CT, abdomen/pelvis · axial plane, index 19 · 512x512 px · acquired on Aquilion ONE · scan has 15 labeled organs (a whole-scan count: organs this slice does not pass through have no box)
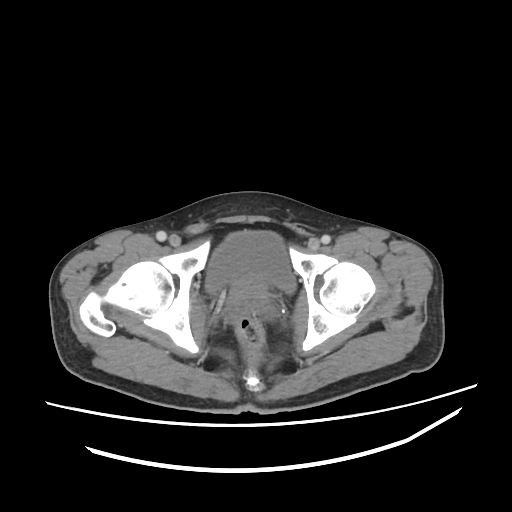

Box edges are left/top/right/bottom in pixels.
bladder: left=206, top=231, right=295, bottom=292
prostate/uterus: left=229, top=278, right=268, bottom=305